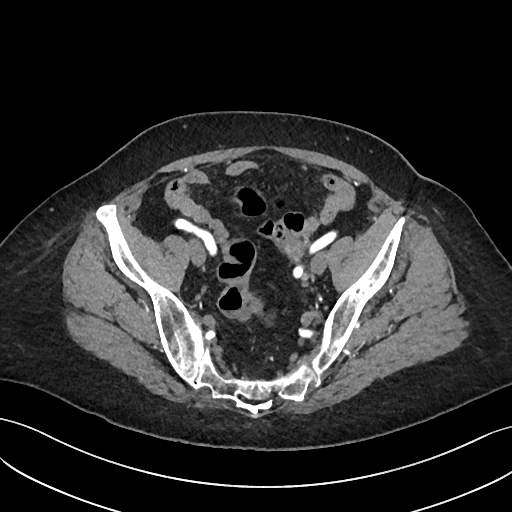

CT, abdomen/pelvis · axial view · 512x512 px
Organ boxes in pixel coordinates; each row gives the top-left (x1, y1) and bottom-right (x2, y2) corners.
| organ | x1 | y1 | x2 | y2 |
|---|---|---|---|---|
| prostate/uterus | 284 | 238 | 298 | 252 |